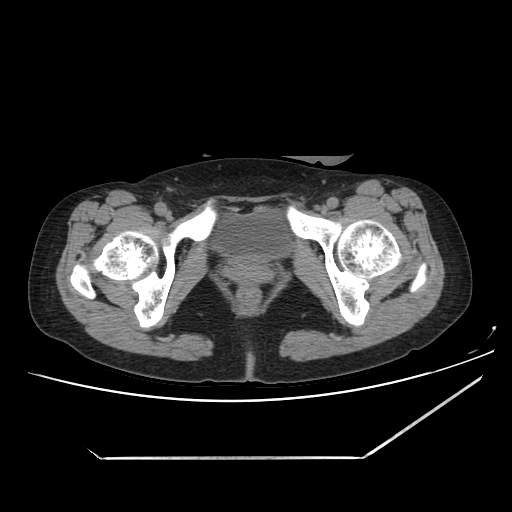

CT, abdomen/pelvis — axial view — abdomen soft-tissue window
Box edges are left/top/right/bottom in pixels.
Organ bounding boxes:
- bladder: left=212, top=208, right=291, bottom=260
- prostate/uterus: left=229, top=260, right=271, bottom=284